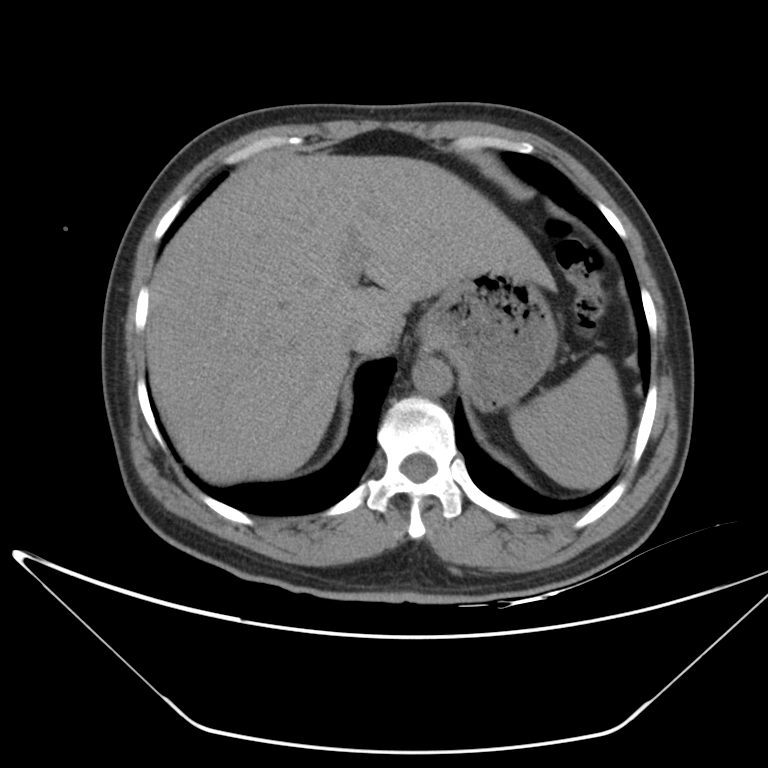 CT abdomen — axial view — W/L 400/40 HU — 15 organs annotated in this scan (a whole-scan count: organs this slice does not pass through have no box)
<organs><organ name="spleen" x1="510" y1="354" x2="628" y2="488"/><organ name="liver" x1="145" y1="153" x2="555" y2="484"/><organ name="stomach" x1="418" y1="271" x2="558" y2="410"/><organ name="aorta" x1="412" y1="357" x2="451" y2="396"/><organ name="inferior vena cava" x1="340" y1="320" x2="371" y2="352"/></organs>